CT abdomen. axial view. W/L 400/40 HU. 512x512 px. SOMATOM Force scanner. scan has 15 labeled organs (counted over the whole 3D scan, not this slice; an organ is boxed only where this slice passes through it)
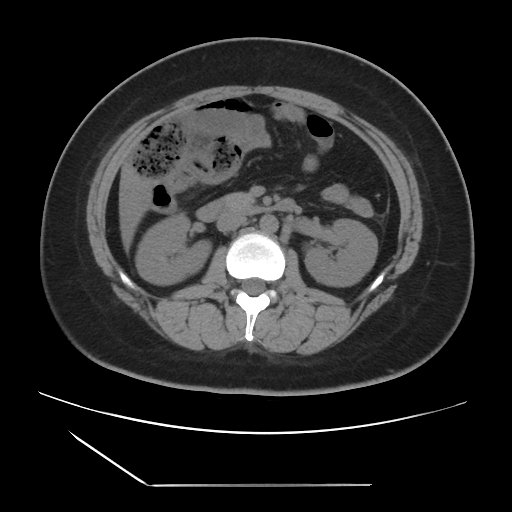 {"organs":{"aorta":[259,214,278,233],"inferior vena cava":[216,213,246,232],"liver":[119,165,152,251],"duodenum":[196,199,296,221],"left kidney":[304,219,377,286],"pancreas":[221,192,253,211],"right kidney":[135,214,211,284]}}